CT abdomen · axial view · 512x512 px · acquired on SOMATOM Force
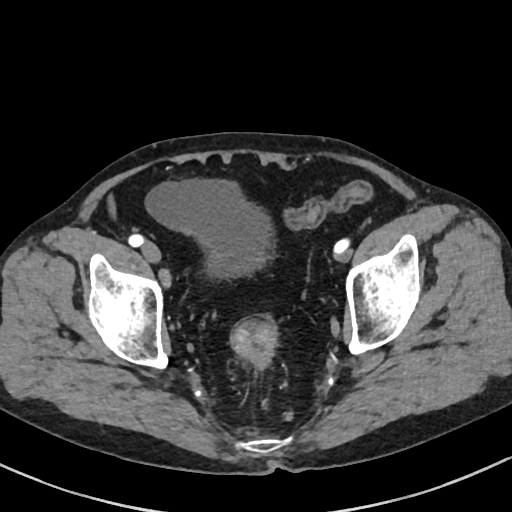 Box edges are left/top/right/bottom in pixels. Labeled organs on this slice: bladder at left=146, top=179, right=271, bottom=277.